Abdominal MRI · coronal plane, index 46 · percentile-normalized · acquired on Prisma
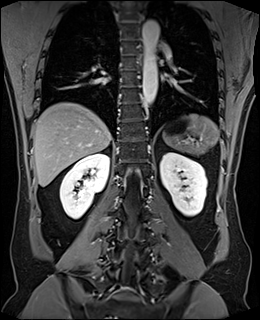 Each box given as x1,y1,x2,y2. The annotated organs in this slice are: spleen at x1=163, y1=114, x2=218, y2=154, right kidney at x1=60, y1=153, x2=109, y2=218, left kidney at x1=160, y1=152, x2=207, y2=216, esophagus at x1=138, y1=55, x2=140, y2=61, liver at x1=33, y1=102, x2=111, y2=186, aorta at x1=142, y1=20, x2=159, y2=107, pancreas at x1=184, y1=151, x2=187, y2=151.